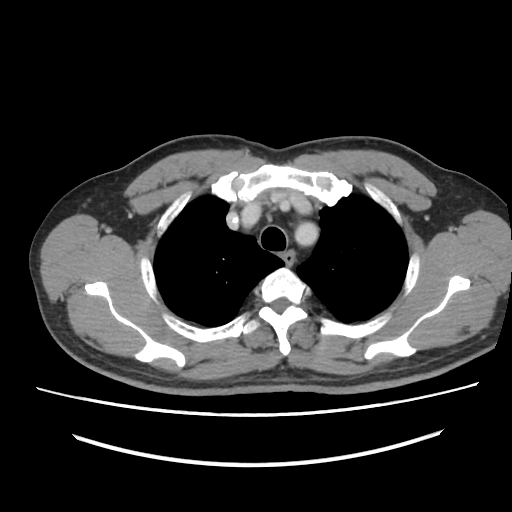 CT of the abdomen extending into the chest, slice through the chest — axial view — 58-year-old male patient — scan has 14 labeled organs (a whole-scan count: organs this slice does not pass through have no box)
On a slice this high in the chest, this dataset labels only the esophagus and the aorta, and each is boxed only where it is labeled; the heart, lungs and other chest structures are not labeled.
Boxes are (x1, y1, x2, y2) in pixels.
esophagus: (284, 252, 294, 263)
aorta: (297, 223, 315, 237)